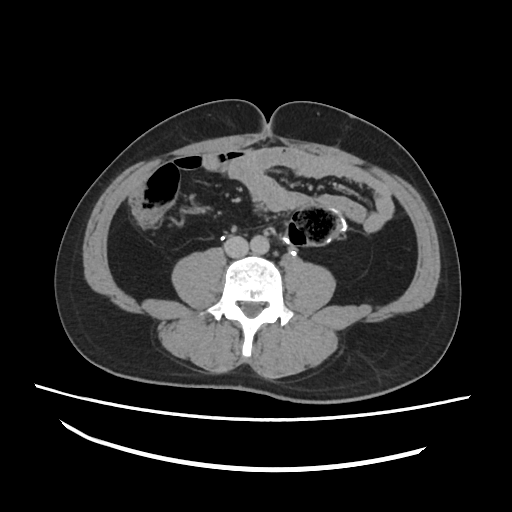

Computed tomography, abdomen. axial view. 44-year-old male patient. 15 organs annotated in this scan (a whole-scan count: organs this slice does not pass through have no box)
<organs><organ name="aorta" x1="250" y1="237" x2="268" y2="253"/><organ name="inferior vena cava" x1="224" y1="236" x2="248" y2="258"/></organs>